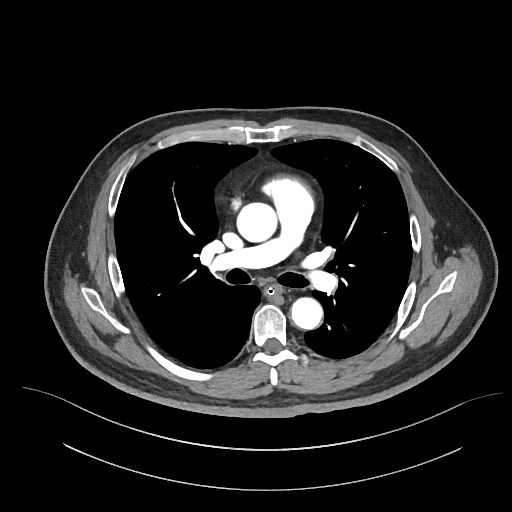 Chest-level slice from an abdominal CT that extends up into the chest; axial view; SOMATOM Force scanner
At this level of the chest this dataset labels only the esophagus and the aorta, and each is boxed only where it is labeled; the heart and lungs are never labeled.
<organs><organ name="esophagus" x1="264" y1="285" x2="282" y2="297"/><organ name="aorta" x1="237" y1="202" x2="277" y2="242"/><organ name="aorta" x1="291" y1="297" x2="322" y2="329"/></organs>